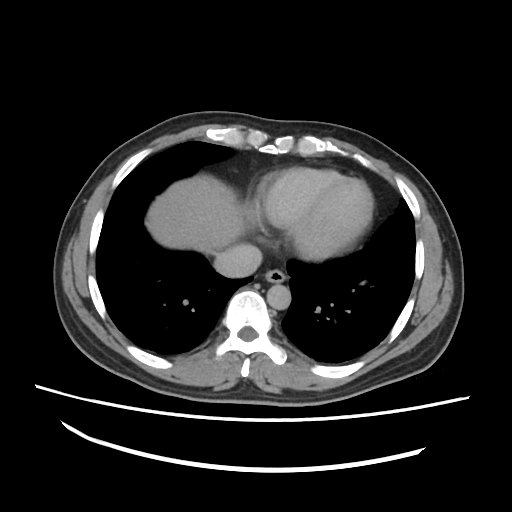 Computed tomography, abdomen — Axial slice 92/97 — soft-tissue window (W 400 / L 40) — 512x512 px — Aquilion ONE scanner — scan has 15 labeled organs (counted over the whole 3D scan, not this slice; an organ is boxed only where this slice passes through it)
Bounding boxes in pixels, one row per box: x1, y1 is the top-left corner and x2, y2 the bottom-right.
| organ | x1 | y1 | x2 | y2 |
|---|---|---|---|---|
| esophagus | 264 | 269 | 286 | 283 |
| liver | 147 | 175 | 256 | 274 |
| aorta | 266 | 284 | 290 | 310 |
| inferior vena cava | 214 | 242 | 261 | 277 |